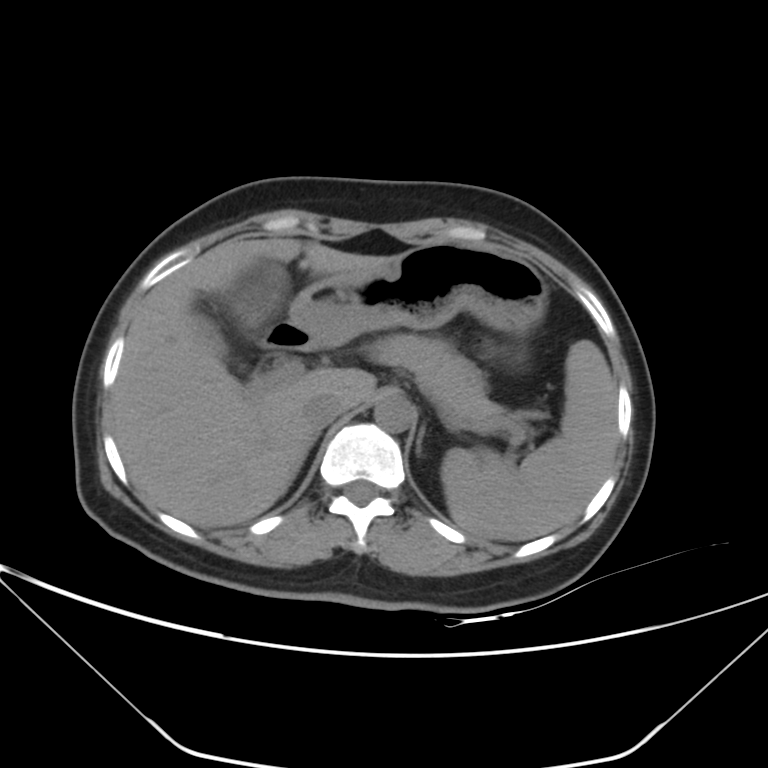 CT, abdomen/pelvis · axial plane, index 68 · abdomen soft-tissue window · 768x768 px · acquired on Brilliance16
{"organs":{"spleen":[441,340,616,540],"gall bladder":[189,312,227,358],"liver":[112,238,394,528],"stomach":[288,242,548,347],"aorta":[375,395,413,432],"inferior vena cava":[304,393,344,429],"pancreas":[368,334,503,419],"left adrenal gland":[415,425,424,454],"duodenum":[263,323,312,350]}}